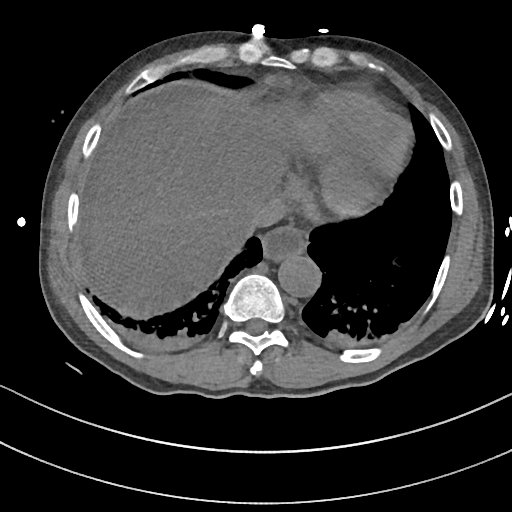 CT, abdomen/pelvis · axial plane, index 220 · SOMATOM Force scanner
{"organs":{"esophagus":[261,226,302,260],"liver":[91,94,286,317],"aorta":[278,253,321,297],"inferior vena cava":[235,196,285,238]}}